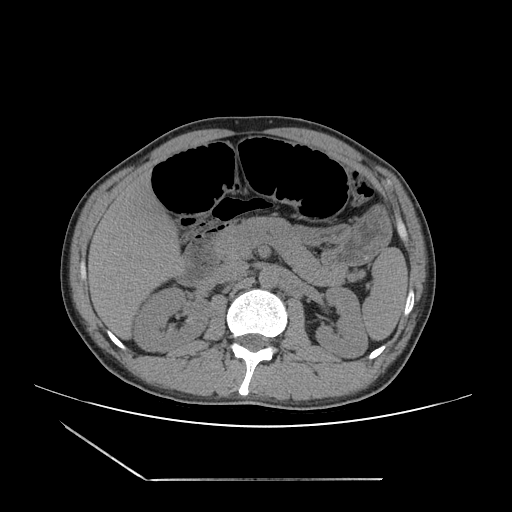 Abdominal CT · axial view · 15 organs annotated in this scan (that count is for the whole scan; organs this slice misses have no box)
Coordinates as <box>x1,y1,x2,y2</box> in pixels. Labeled organs on this slice: stomach at <box>294,210,389,265</box>, right kidney at <box>131,287,208,351</box>, duodenum at <box>174,237,220,285</box>, left kidney at <box>315,287,367,357</box>, aorta at <box>258,267,278,287</box>, inferior vena cava at <box>213,261,247,283</box>, liver at <box>88,172,178,337</box>, spleen at <box>362,247,407,339</box>, pancreas at <box>211,217,348,285</box>.